CT, abdomen/pelvis · axial view · 512x512 px
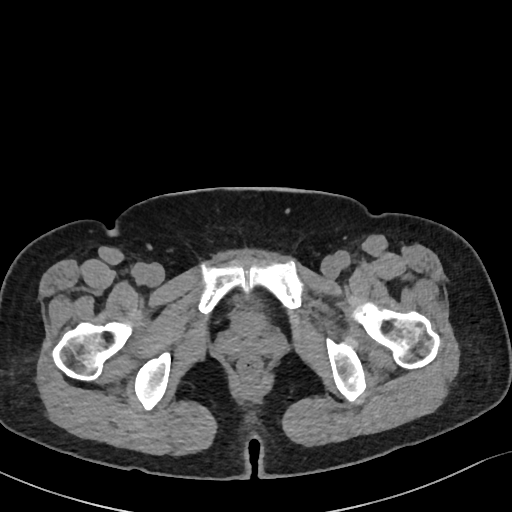
Box edges are left/top/right/bottom in pixels.
bladder: left=232, top=310, right=264, bottom=337